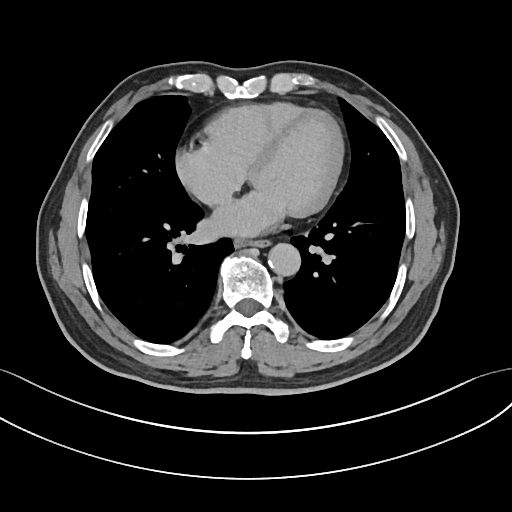
Lower-chest slice from an abdominal CT, just above the liver and spleen. Axial slice 223/224
Of the structures in the chest, this dataset labels only the esophagus, the aorta and the inferior vena cava; the heart and lungs have no label.
Boxes are (x1, y1, x2, y2) in pixels.
Organ bounding boxes:
- esophagus: (235, 239, 267, 246)
- aorta: (268, 243, 300, 276)